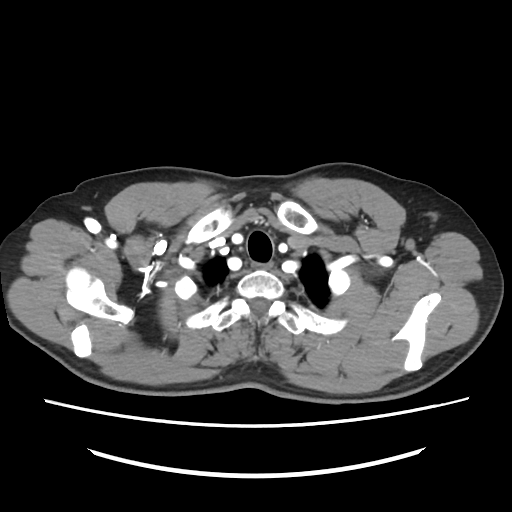
Abdominal CT reaching into the chest; this slice is in the chest · axial view · soft-tissue window · 512x512 px · acquired on Aquilion ONE
At this level of the chest this dataset labels only the esophagus and the aorta, and each is boxed only where it is labeled; the heart and lungs are never labeled.
{"organs":{"esophagus":[251,262,273,268]}}